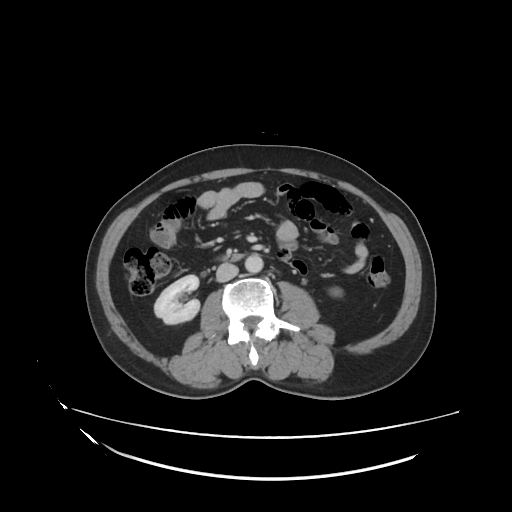 CT abdomen — axial view — abdomen soft-tissue window — 512x512 px
Bounding boxes in pixels, one row per box: x1, y1 is the top-left corner and x2, y2 the bottom-right.
| organ | x1 | y1 | x2 | y2 |
|---|---|---|---|---|
| right kidney | 154 | 274 | 200 | 324 |
| aorta | 245 | 254 | 264 | 273 |
| inferior vena cava | 215 | 263 | 238 | 281 |
| duodenum | 230 | 254 | 241 | 261 |
| left kidney | 336 | 289 | 338 | 291 |